CT abdomen — axial view — W/L 400/40 HU — 61-year-old male patient — 14 organs annotated in this scan (a whole-scan count: organs this slice does not pass through have no box)
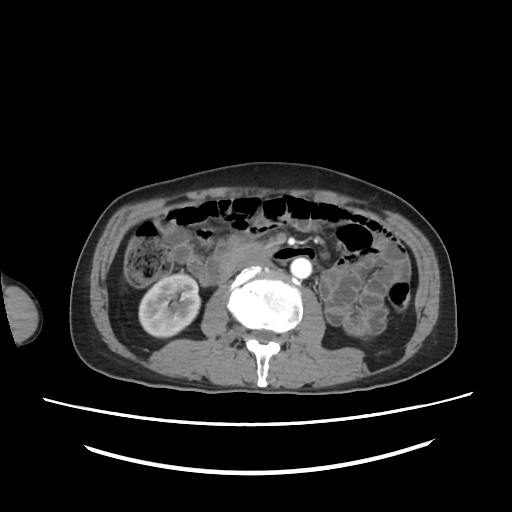 Organ boxes in pixel coordinates; each row gives the top-left (x1, y1) and bottom-right (x2, y2) corners.
| organ | x1 | y1 | x2 | y2 |
|---|---|---|---|---|
| aorta | 289 | 258 | 310 | 278 |
| duodenum | 219 | 244 | 274 | 278 |
| inferior vena cava | 236 | 254 | 273 | 270 |
| right kidney | 139 | 273 | 201 | 337 |